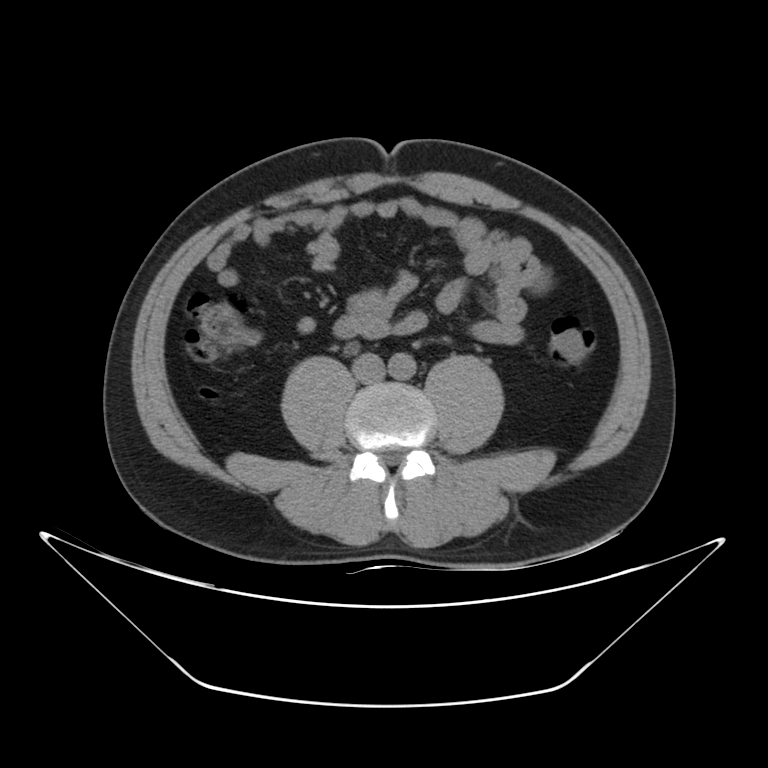

CT, abdomen/pelvis — axial view — abdomen soft-tissue window — Brilliance16 scanner
Bounding boxes as [x1, y1, x2, y2] in pixel coordinates.
aorta: [389, 352, 416, 378]
inferior vena cava: [352, 352, 385, 382]